CT, abdomen/pelvis · axial view · soft-tissue window (W 400 / L 40) · acquired on Brilliance16
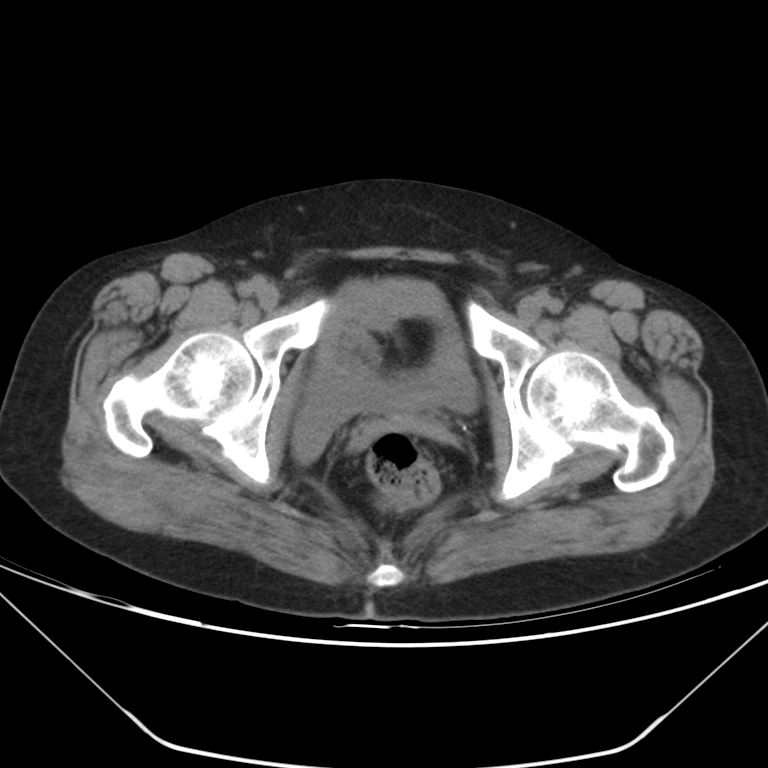 Coordinates as <box>x1,y1,x2,y2</box> in pixels. 1 labeled organ on this slice — bladder at <box>293,279,476,458</box>.